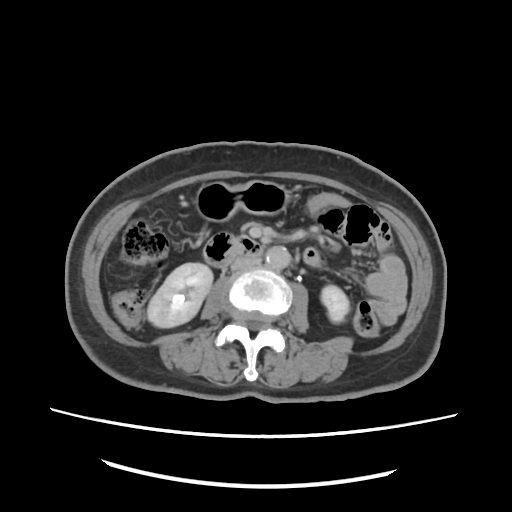

Abdominal CT; axial view; 512x512 px; 76-year-old female patient; scan has 15 labeled organs (that count is for the whole scan; organs this slice misses have no box)
Bounding boxes as [x1, y1, x2, y2] in pixel coordinates. The annotated organs in this slice are: right kidney at [147, 263, 213, 327], left kidney at [320, 284, 350, 322], stomach at [196, 182, 285, 219], aorta at [266, 246, 290, 268], inferior vena cava at [229, 257, 260, 271], duodenum at [203, 233, 262, 266].